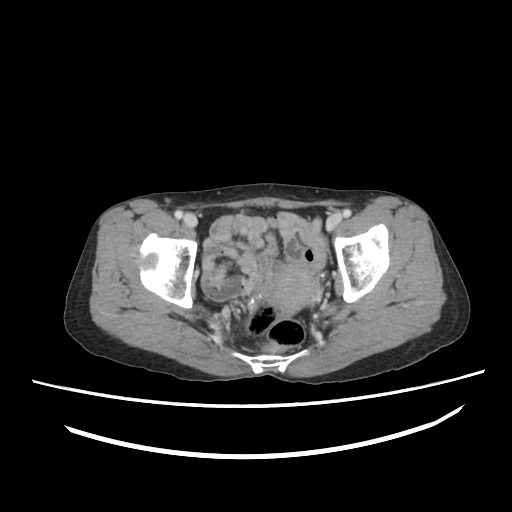

Computed tomography, abdomen; axial view; W/L 400/40 HU
{"organs":{"prostate/uterus":[267,263,319,310]}}